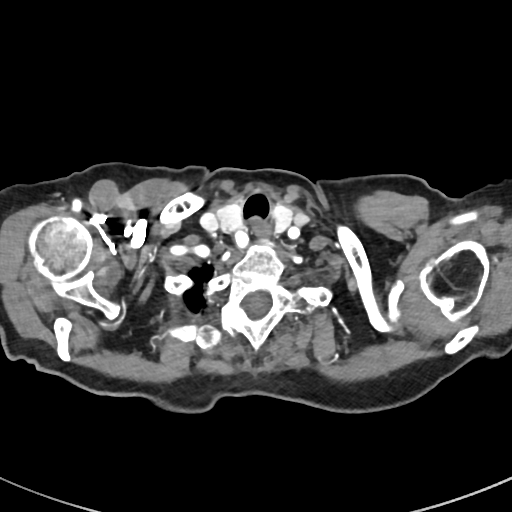
CT of the abdomen extending into the chest, slice through the chest — axial view — W/L 400/40 HU — 512x512 px
At this level of the chest no structure but the esophagus and the aorta has a label in this dataset, and those two are boxed only where they are labeled.
Coordinates as <box>x1,y1,x2,y2</box> in pixels.
esophagus: <box>253,224,270,237</box>